Abdominal MR; axial view
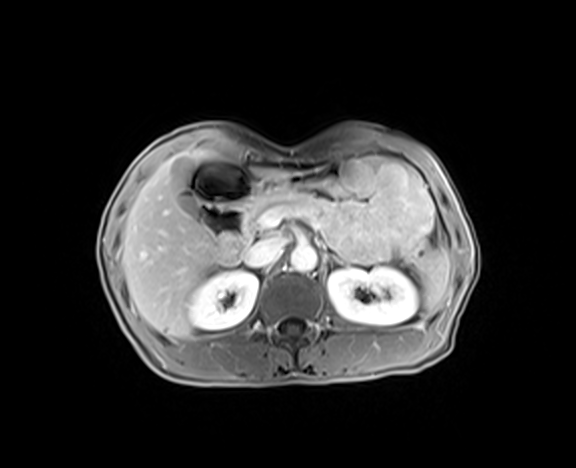
Each box given as x1,y1,x2,y2.
liver: x1=122, y1=148, x2=291, y2=337
duodenum: x1=189, y1=160, x2=259, y2=259
left adrenal gland: x1=332, y1=256, x2=349, y2=265
aorta: x1=291, y1=245, x2=317, y2=272
gall bladder: x1=173, y1=158, x2=199, y2=214
stomach: x1=259, y1=169, x2=330, y2=194
right kidney: x1=188, y1=271, x2=258, y2=329
left kidney: x1=328, y1=267, x2=418, y2=325
spleen: x1=420, y1=246, x2=450, y2=313
pancreas: x1=243, y1=189, x2=332, y2=242
inferior vena cava: x1=243, y1=237, x2=285, y2=266